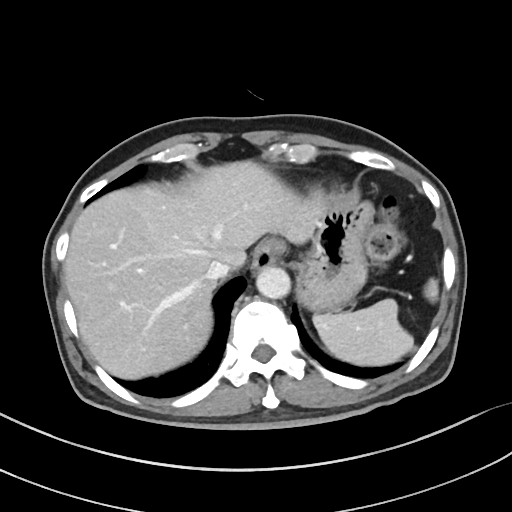
Abdominal CT; axial view; W/L 400/40 HU; 15 organs annotated in this scan (counted over the whole 3D scan, not this slice; an organ is boxed only where this slice passes through it)
{"organs":{"stomach":[298,195,373,311],"aorta":[256,266,290,298],"esophagus":[251,239,284,271],"inferior vena cava":[206,260,230,281],"liver":[64,160,325,379],"spleen":[313,278,438,365]}}